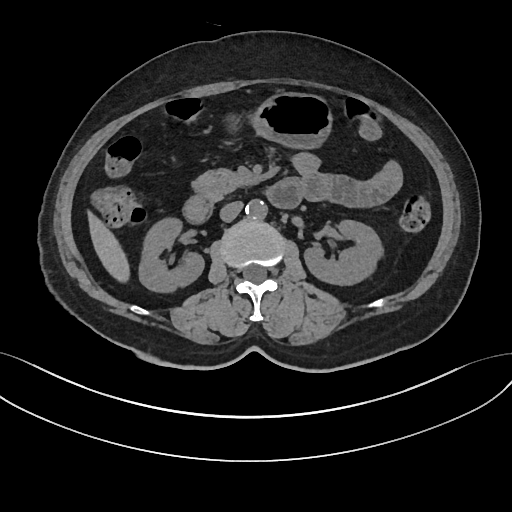

CT, abdomen/pelvis · Axial slice 127/207 · soft-tissue window · 512x512 px · scan has 15 labeled organs (counted over the whole 3D scan, not this slice; an organ is boxed only where this slice passes through it)
Bounding boxes as [x1, y1, x2, y2] in pixel coordinates.
right kidney: [138, 216, 203, 291]
left kidney: [304, 219, 382, 284]
liver: [88, 214, 127, 279]
stomach: [255, 93, 330, 147]
aorta: [245, 198, 267, 218]
inferior vena cava: [220, 201, 242, 221]
pancreas: [193, 168, 250, 199]
duodenum: [184, 179, 301, 222]